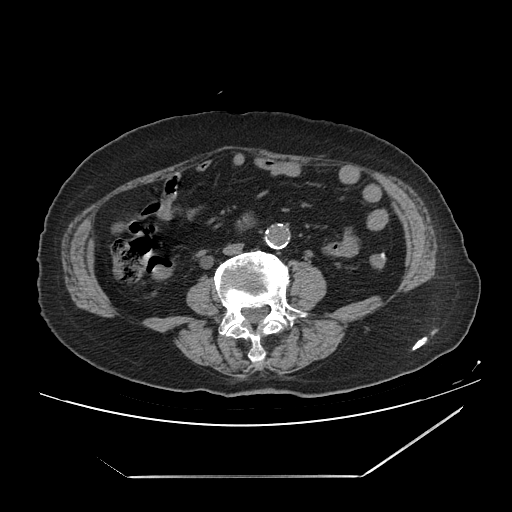
Abdominal CT; axial view; 512x512 px; acquired on SOMATOM Force; scan has 15 labeled organs (a whole-scan count: organs this slice does not pass through have no box)
<organs><organ name="aorta" x1="266" y1="224" x2="290" y2="248"/><organ name="inferior vena cava" x1="223" y1="243" x2="243" y2="255"/></organs>